Computed tomography, abdomen; axial view
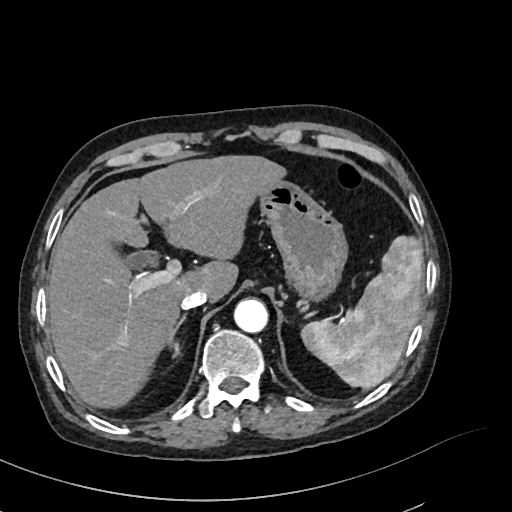
One row per box, in pixels: columns x1 and y1 give the top-left corner, x2 and y2 the bottom-right.
| organ | x1 | y1 | x2 | y2 |
|---|---|---|---|---|
| spleen | 301 | 235 | 423 | 388 |
| gall bladder | 125 | 250 | 157 | 269 |
| liver | 47 | 155 | 285 | 408 |
| stomach | 259 | 180 | 348 | 301 |
| aorta | 233 | 299 | 268 | 332 |
| inferior vena cava | 180 | 289 | 208 | 309 |
| right adrenal gland | 168 | 314 | 186 | 345 |